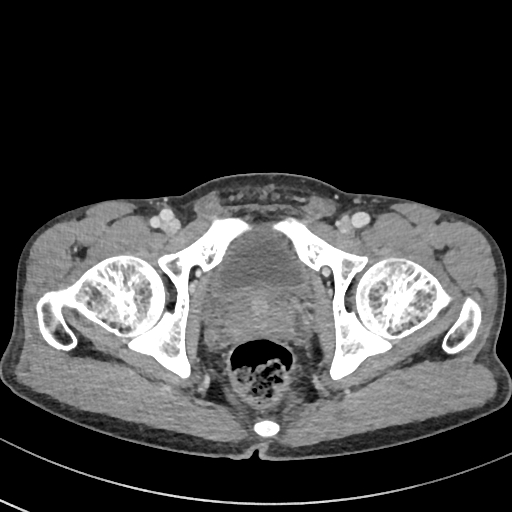 Abdominal CT · axial view · 15 organs annotated in this scan (counted over the whole 3D scan, not this slice; an organ is boxed only where this slice passes through it)
<organs><organ name="bladder" x1="214" y1="231" x2="303" y2="297"/><organ name="prostate/uterus" x1="226" y1="288" x2="293" y2="338"/></organs>